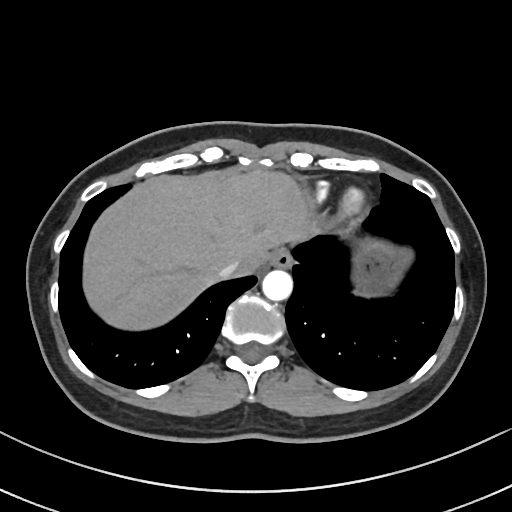 Abdominal CT — axial plane, index 206 — scan has 15 labeled organs (that count is for the whole scan; organs this slice misses have no box)
Each box given as x1,y1,x2,y2.
esophagus: x1=269, y1=247, x2=293, y2=268
liver: x1=82, y1=167, x2=323, y2=329
stomach: x1=352, y1=240, x2=413, y2=299
aorta: x1=262, y1=269, x2=292, y2=300
inferior vena cava: x1=218, y1=260, x2=241, y2=279